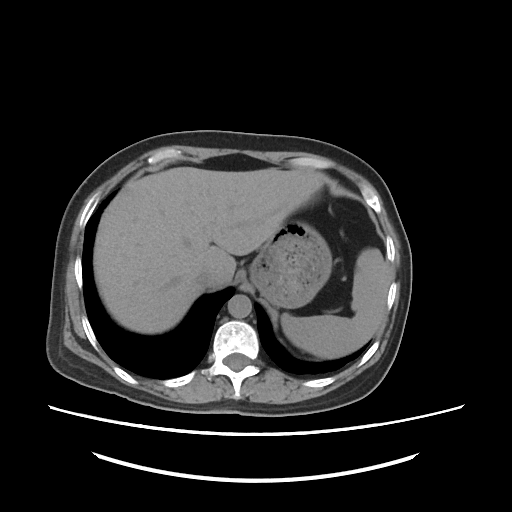 Computed tomography, abdomen. axial view. 512x512 px
Bounding boxes as [x1, y1, x2, y2] in pixel coordinates.
spleen: [283, 249, 387, 358]
liver: [94, 167, 322, 333]
stomach: [249, 217, 331, 309]
aorta: [227, 294, 251, 317]
inferior vena cava: [195, 271, 217, 285]